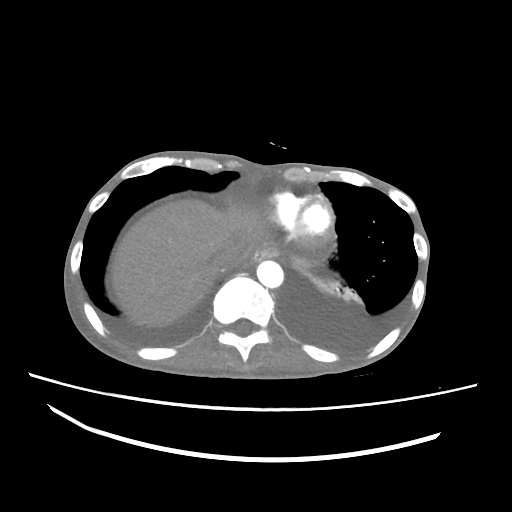

Computed tomography, abdomen; Axial slice 77/123
Boxes: x1:y1:x2:y2 in pixels.
esophagus: 251:248:277:262
liver: 111:199:272:326
aorta: 256:260:283:287
inferior vena cava: 212:247:243:271